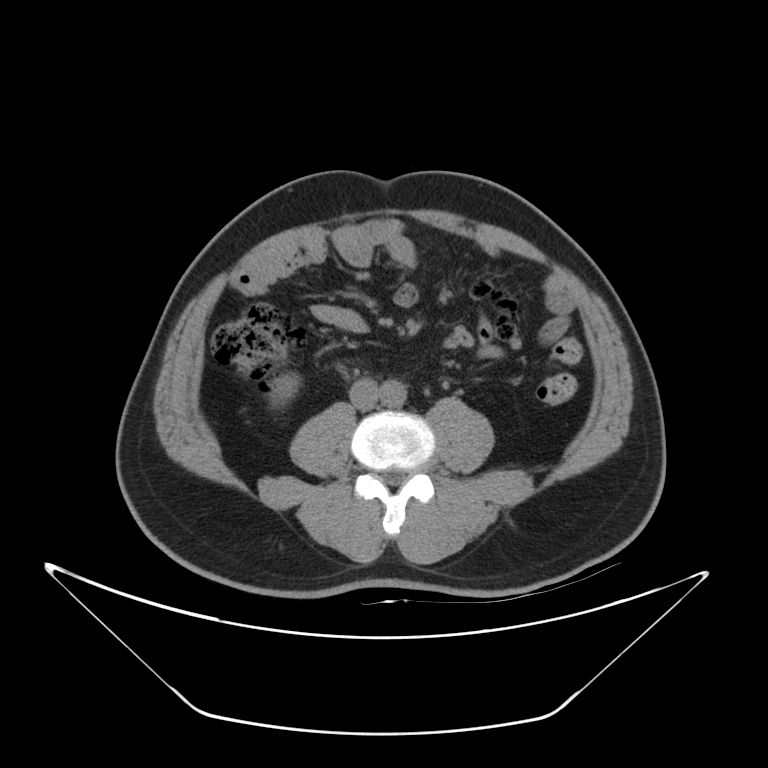
Computed tomography, abdomen. axial view. abdomen soft-tissue window. 55-year-old male patient
Box edges are left/top/right/bottom in pixels.
right kidney: left=271, top=373, right=299, bottom=400
aorta: left=379, top=379, right=405, bottom=407
inferior vena cava: left=349, top=378, right=378, bottom=409